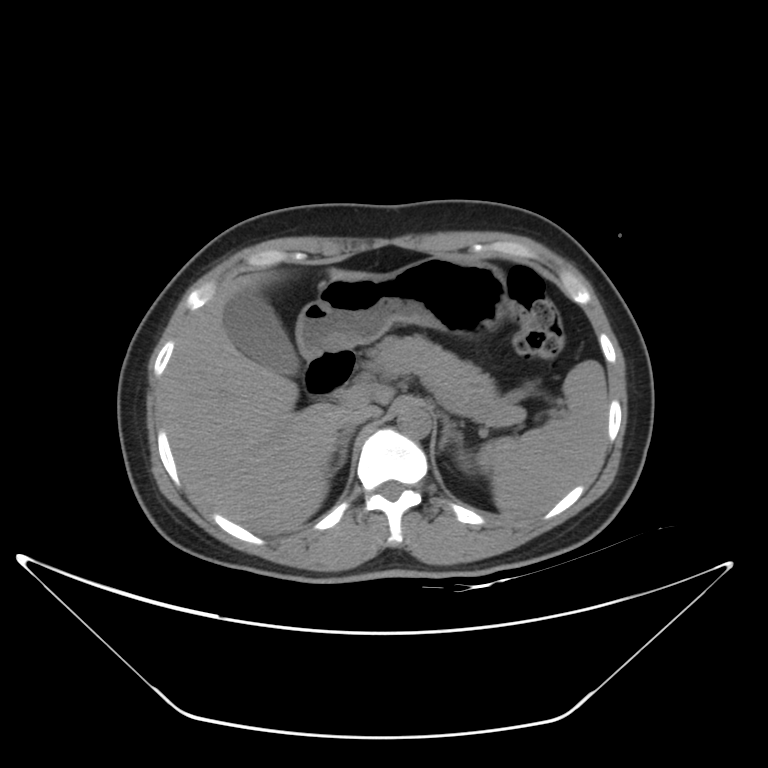 CT abdomen · axial view · soft-tissue window · 768x768 px
Bounding boxes as [x1, y1, x2, y2] in pixel coordinates. Labeled organs on this slice: spleen at [478, 360, 609, 516], left kidney at [458, 452, 473, 473], gall bladder at [223, 291, 300, 375], liver at [160, 267, 391, 535], stomach at [295, 256, 511, 359], aorta at [397, 403, 431, 438], inferior vena cava at [337, 405, 376, 433], pancreas at [364, 334, 523, 423], right adrenal gland at [330, 431, 353, 474], left adrenal gland at [439, 418, 462, 450], duodenum at [303, 349, 355, 396].